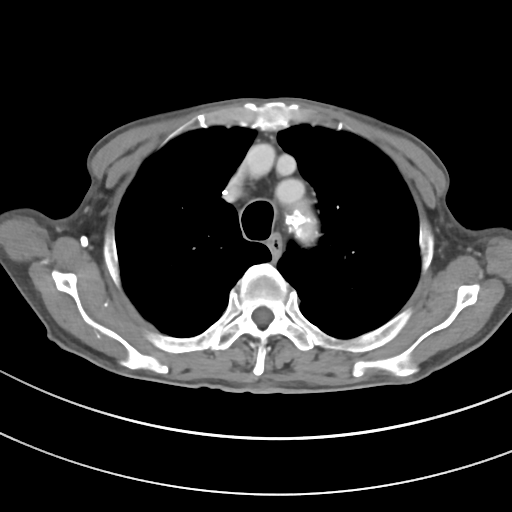
CT of the abdomen extending into the chest, slice through the chest; Axial slice 107/122; 512x512 px
At this level of the chest no structure but the esophagus and the aorta has a label in this dataset, and those two are boxed only where they are labeled. Bounding boxes as [x1, y1, x2, y2] in pixel coordinates. 2 labeled organs on this slice — aorta at [288, 208, 316, 242]; esophagus at [268, 235, 281, 252].